Abdominal MRI; Axial slice 38/72; 13 organs annotated in this scan (counted over the whole 3D scan, not this slice; an organ is boxed only where this slice passes through it)
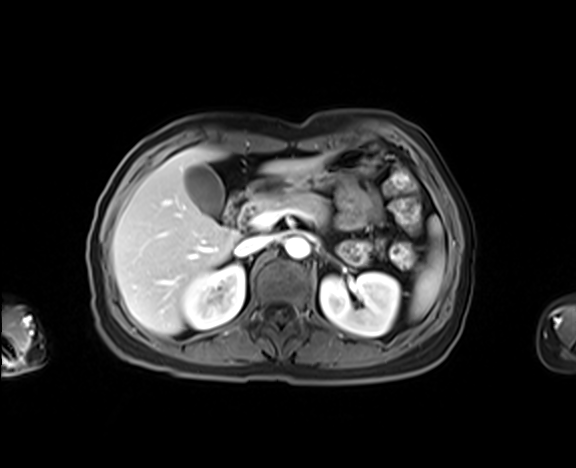
<organs><organ name="spleen" x1="410" y1="217" x2="444" y2="319"/><organ name="right kidney" x1="181" y1="265" x2="245" y2="328"/><organ name="left kidney" x1="320" y1="273" x2="400" y2="336"/><organ name="gall bladder" x1="184" y1="164" x2="223" y2="214"/><organ name="liver" x1="112" y1="146" x2="327" y2="334"/><organ name="stomach" x1="251" y1="146" x2="379" y2="196"/><organ name="aorta" x1="285" y1="237" x2="310" y2="258"/><organ name="inferior vena cava" x1="234" y1="235" x2="271" y2="256"/><organ name="pancreas" x1="248" y1="191" x2="327" y2="224"/><organ name="duodenum" x1="224" y1="187" x2="254" y2="229"/></organs>